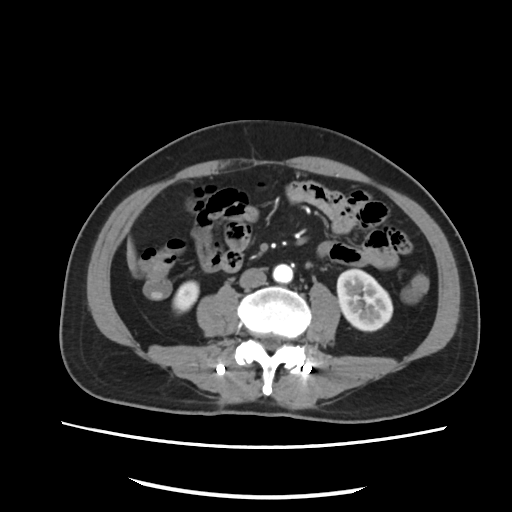

CT abdomen · axial plane, index 57 · 66-year-old male patient
<organs><organ name="inferior vena cava" x1="239" y1="269" x2="267" y2="287"/><organ name="liver" x1="126" y1="236" x2="137" y2="274"/><organ name="right kidney" x1="174" y1="280" x2="198" y2="310"/><organ name="left kidney" x1="337" y1="269" x2="392" y2="331"/><organ name="aorta" x1="274" y1="263" x2="292" y2="283"/></organs>